CT abdomen; Axial slice 225/252; SOMATOM Force scanner
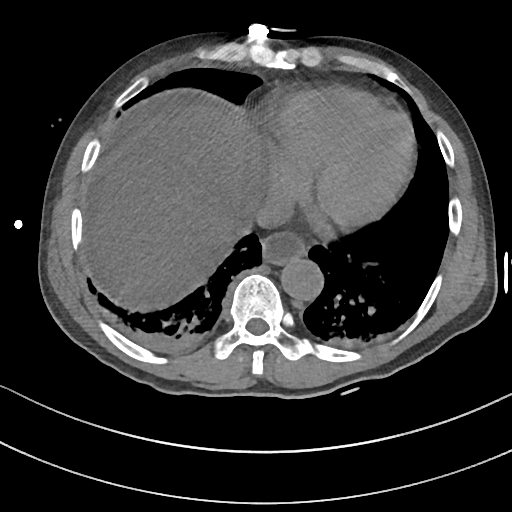
Boxes are (x1, y1, x2, y2) in pixels. Labeled organs on this slice: esophagus at (261, 231, 306, 264), liver at (94, 104, 266, 311), aorta at (279, 257, 322, 300), inferior vena cava at (240, 195, 290, 236).